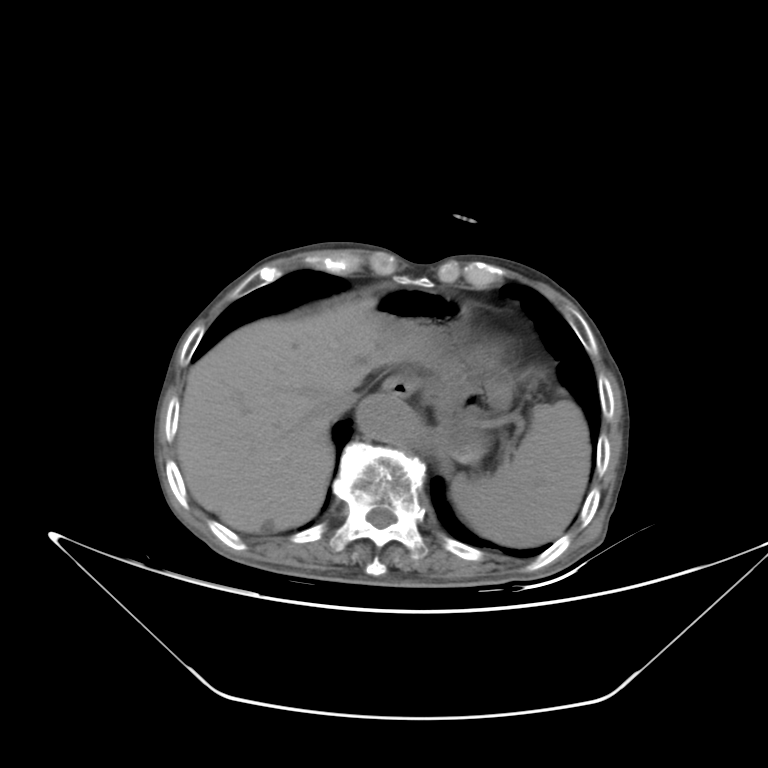
CT, abdomen/pelvis; axial view; W/L 400/40 HU; 768x768 px
Bounding boxes in pixels, one row per box: x1, y1 is the top-left corner and x2, y2 the bottom-right.
| organ | x1 | y1 | x2 | y2 |
|---|---|---|---|---|
| spleen | 450 | 400 | 589 | 548 |
| esophagus | 384 | 376 | 417 | 398 |
| liver | 176 | 298 | 375 | 532 |
| stomach | 371 | 286 | 514 | 458 |
| aorta | 357 | 395 | 423 | 446 |
| inferior vena cava | 320 | 393 | 360 | 423 |